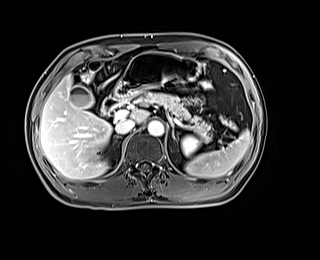 Abdominal MR; Axial slice 24/72; percentile-normalized
{"organs":{"spleen":[185,130,250,177],"left kidney":[182,136,198,155],"gall bladder":[70,86,94,108],"liver":[40,76,148,179],"stomach":[111,53,199,101],"aorta":[147,120,163,136],"inferior vena cava":[115,119,135,133],"pancreas":[137,92,212,142],"left adrenal gland":[172,129,174,138],"duodenum":[102,96,121,114]}}